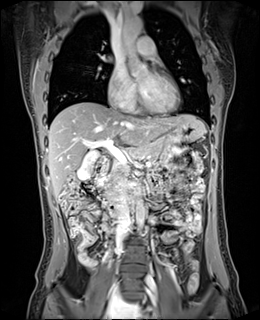 MRI, abdomen — coronal view — 260x320 px
Coordinates as <box>x1,y1,x2,y2</box> in pixels. The annotated organs in this slice are: gall bladder at <box>77,152,99,180</box>, liver at <box>47,102,205,196</box>, stomach at <box>170,120,203,142</box>, aorta at <box>120,17,149,78</box>, aorta at <box>136,199,144,229</box>, inferior vena cava at <box>116,180,130,239</box>, pancreas at <box>104,141,162,183</box>, duodenum at <box>94,158,142,196</box>.